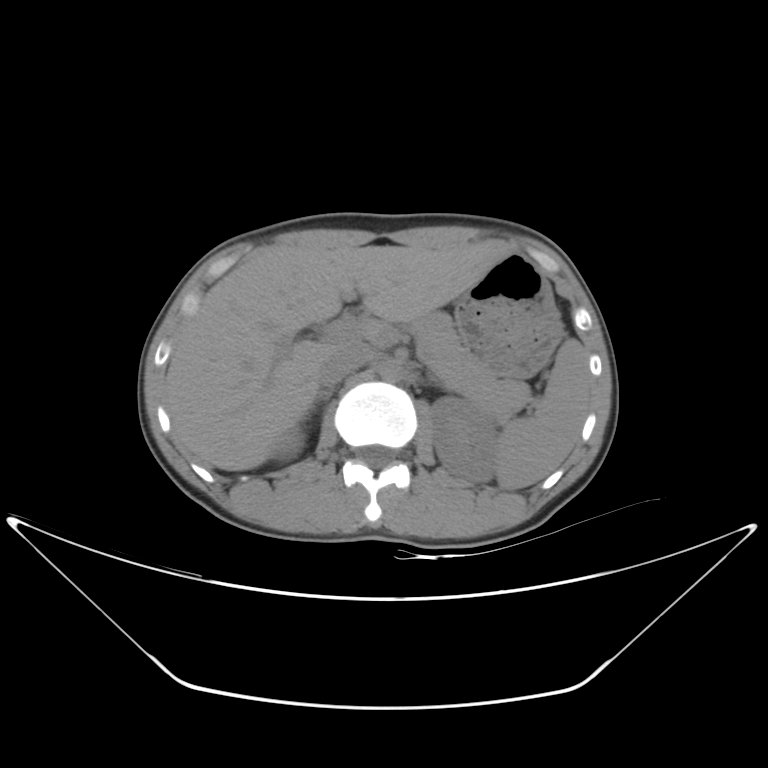 CT, abdomen/pelvis — axial view — 768x768 px
Organ boxes in pixel coordinates; each row gives the top-left (x1, y1) and bottom-right (x2, y2) corners.
| organ | x1 | y1 | x2 | y2 |
|---|---|---|---|---|
| right kidney | 273 | 428 | 304 | 459 |
| pancreas | 410 | 309 | 529 | 416 |
| right adrenal gland | 312 | 387 | 334 | 403 |
| spleen | 497 | 339 | 590 | 488 |
| liver | 165 | 241 | 505 | 470 |
| stomach | 456 | 253 | 563 | 377 |
| left kidney | 429 | 397 | 498 | 483 |
| aorta | 378 | 360 | 404 | 382 |
| inferior vena cava | 316 | 342 | 372 | 384 |